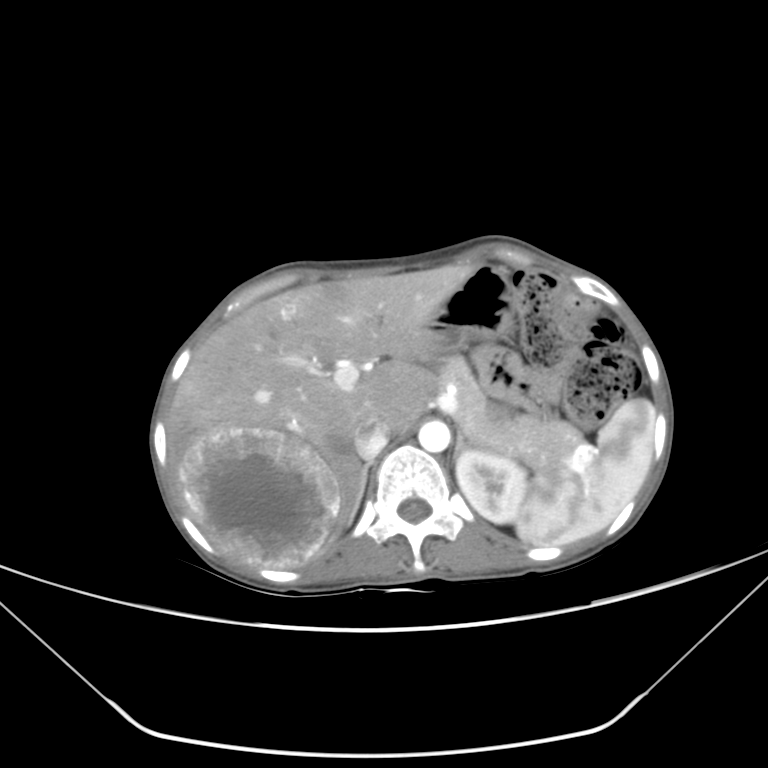

CT abdomen · axial view · W/L 400/40 HU · 32-year-old female patient
<organs><organ name="spleen" x1="516" y1="398" x2="655" y2="545"/><organ name="left kidney" x1="455" y1="449" x2="527" y2="523"/><organ name="liver" x1="167" y1="264" x2="475" y2="569"/><organ name="stomach" x1="427" y1="265" x2="516" y2="353"/><organ name="aorta" x1="418" y1="420" x2="450" y2="452"/><organ name="inferior vena cava" x1="354" y1="420" x2="390" y2="459"/><organ name="pancreas" x1="435" y1="355" x2="582" y2="471"/><organ name="right adrenal gland" x1="345" y1="459" x2="372" y2="526"/><organ name="left adrenal gland" x1="455" y1="428" x2="476" y2="454"/></organs>